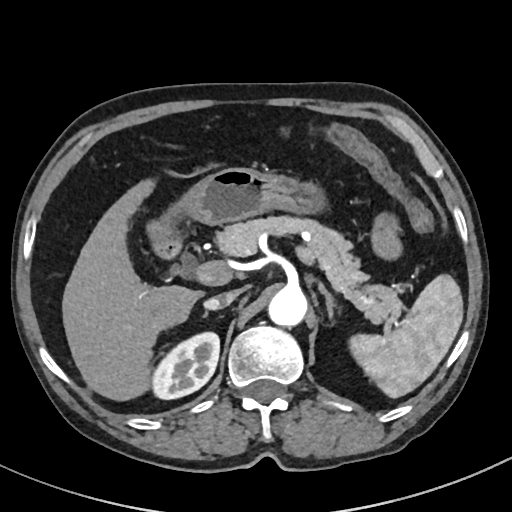
Abdominal CT · axial view · 512x512 px
{"organs":{"liver":[62,178,201,401],"left adrenal gland":[318,282,333,319],"pancreas":[215,215,400,323],"aorta":[268,286,307,326],"inferior vena cava":[204,288,244,309],"right adrenal gland":[203,312,207,316],"right kidney":[151,332,219,399],"stomach":[146,167,328,244],"duodenum":[153,240,180,258],"spleen":[349,274,463,398]}}